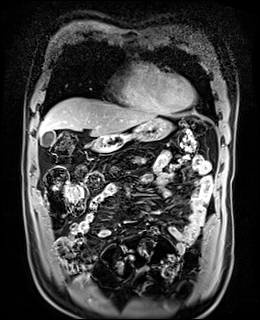
Abdominal MRI; coronal view; 260x320 px
Box edges are left/top/right/bottom in pixels.
gall bladder: left=41, top=131, right=56, bottom=146
pancreas: left=135, top=157, right=145, bottom=163
liver: left=38, top=97, right=156, bottom=136
duodenum: left=91, top=138, right=121, bottom=152
stomach: left=98, top=118, right=172, bottom=149